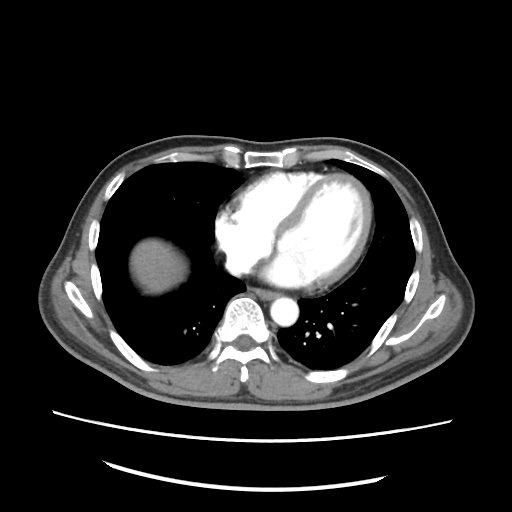

Computed tomography, abdomen — Axial slice 96/98 — Aquilion ONE scanner — scan has 15 labeled organs (that count is for the whole scan; organs this slice misses have no box)
One row per box, in pixels: columns x1 and y1 give the top-left corner, x2 and y2 the bottom-right.
| organ | x1 | y1 | x2 | y2 |
|---|---|---|---|---|
| esophagus | 247 | 286 | 279 | 300 |
| liver | 131 | 239 | 184 | 294 |
| aorta | 271 | 297 | 298 | 326 |
| inferior vena cava | 225 | 255 | 253 | 274 |